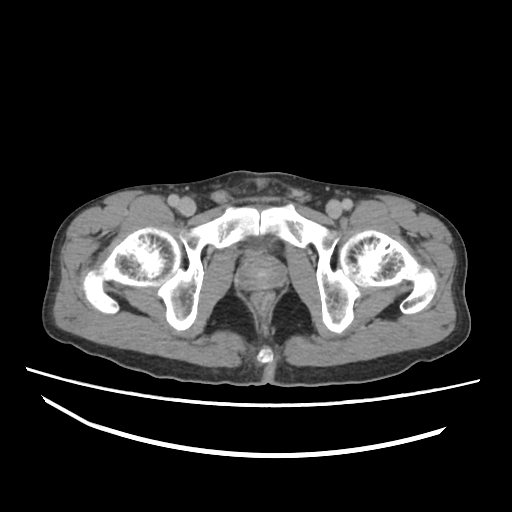

CT, abdomen/pelvis. axial view. W/L 400/40 HU. 512x512 px
Boxes: x1:y1:x2:y2 in pixels.
Organ bounding boxes:
- prostate/uterus: 236:256:286:290